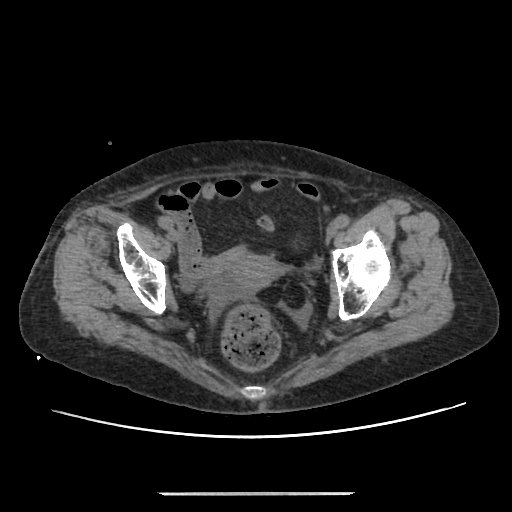
CT, abdomen/pelvis. axial view. 512x512 px. 14 organs annotated in this scan (that count is for the whole scan; organs this slice misses have no box)
Boxes are (x1, y1, x2, y2) in pixels.
Organ bounding boxes:
- prostate/uterus: (231, 252, 281, 291)